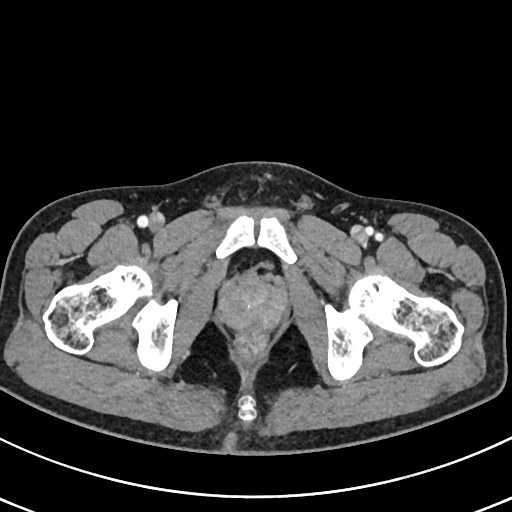
CT abdomen. axial view. SOMATOM Force scanner
Coordinates as <box>x1,y1,x2,y2</box> in pixels. The annotated organs in this slice are: prostate/uterus at <box>221,279,283,329</box>.